CT of the abdomen reaching into the lower chest, slice just above the liver and spleen. Axial slice 86/124. scan has 15 labeled organs (a whole-scan count: organs this slice does not pass through have no box)
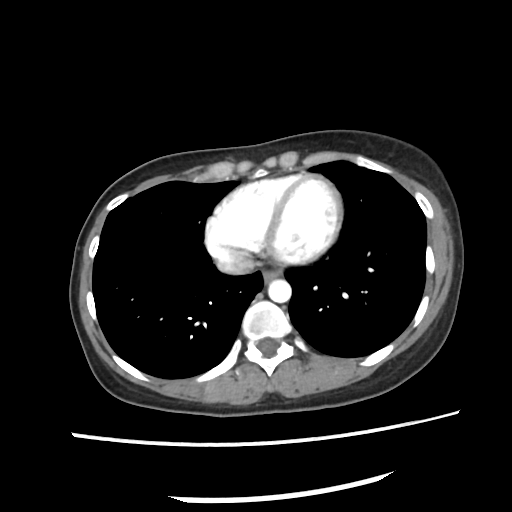
Of the structures in the chest, this dataset labels only the esophagus, the aorta and the inferior vena cava; the heart and lungs have no label.
{"organs":{"esophagus":[262,271,280,282],"aorta":[267,280,291,302],"inferior vena cava":[215,250,255,274]}}